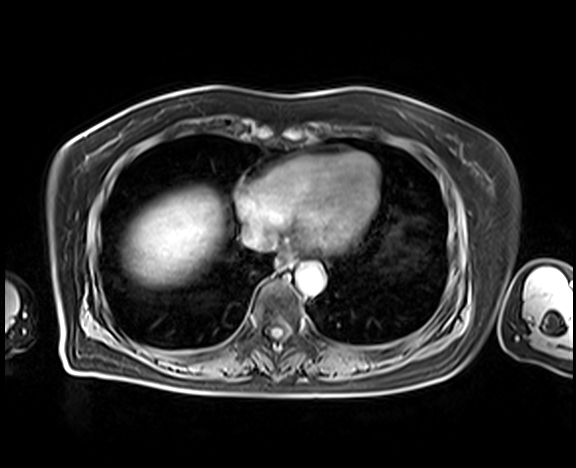 Magnetic resonance imaging, abdomen; axial view; 1st–99th percentile window
{"organs":{"esophagus":[277,255,294,269],"liver":[124,188,222,284],"aorta":[296,264,324,294],"inferior vena cava":[241,224,277,251]}}